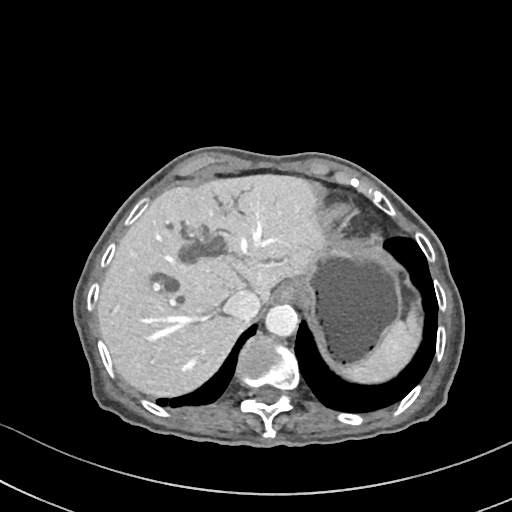 Abdominal CT; axial view; soft-tissue window (W 400 / L 40); scan has 15 labeled organs (that count is for the whole scan; organs this slice misses have no box)
Bounding boxes in pixels, one row per box: x1, y1 is the top-left corner and x2, y2 the bottom-right.
| organ | x1 | y1 | x2 | y2 |
|---|---|---|---|---|
| aorta | 265 | 304 | 297 | 336 |
| liver | 97 | 174 | 321 | 396 |
| esophagus | 275 | 283 | 298 | 302 |
| stomach | 295 | 232 | 401 | 365 |
| inferior vena cava | 223 | 290 | 260 | 320 |
| spleen | 336 | 309 | 420 | 383 |